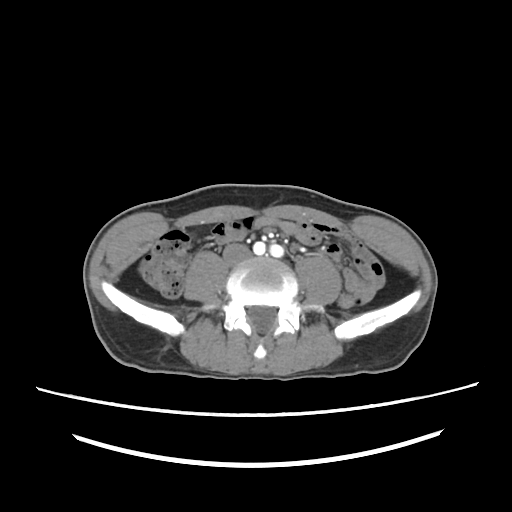
Abdominal CT; axial view; 13 organs annotated in this scan (a whole-scan count: organs this slice does not pass through have no box)
Coordinates as <box>x1,y1,x2,y2</box> in pixels.
Organ bounding boxes:
- inferior vena cava: <box>235,246,242,249</box>